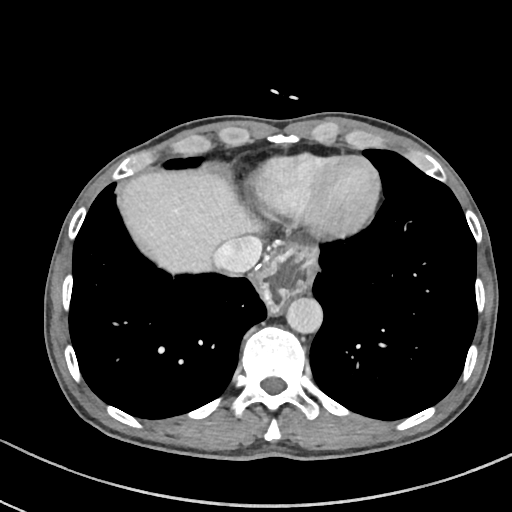 Abdominal CT · axial view
<organs><organ name="esophagus" x1="256" y1="242" x2="317" y2="314"/><organ name="liver" x1="118" y1="170" x2="264" y2="272"/><organ name="aorta" x1="286" y1="297" x2="322" y2="333"/><organ name="inferior vena cava" x1="212" y1="235" x2="262" y2="273"/></organs>